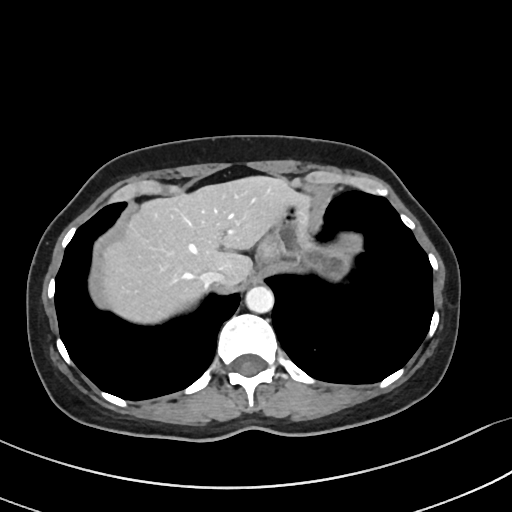
CT, abdomen/pelvis · Axial slice 160/175
Bounding boxes in pixels, one row per box: x1, y1 is the top-left corner and x2, y2 the bottom-right.
| organ | x1 | y1 | x2 | y2 |
|---|---|---|---|---|
| liver | 100 | 175 | 294 | 323 |
| stomach | 258 | 192 | 362 | 280 |
| aorta | 245 | 286 | 274 | 312 |
| inferior vena cava | 199 | 270 | 228 | 290 |